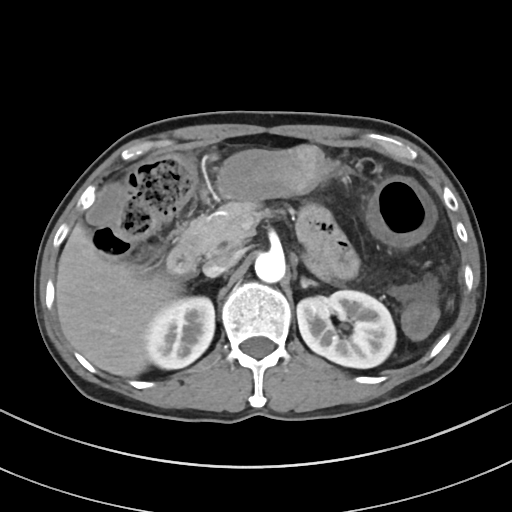 CT, abdomen/pelvis; axial plane, index 63; soft-tissue window (W 400 / L 40); 512x512 px; 15 organs annotated in this scan (counted over the whole 3D scan, not this slice; an organ is boxed only where this slice passes through it)
Bounding boxes as [x1, y1, x2, y2] in pixel coordinates.
right kidney: [145, 296, 214, 369]
left kidney: [296, 290, 395, 368]
gall bladder: [87, 183, 123, 225]
liver: [56, 223, 180, 377]
stomach: [216, 145, 334, 201]
aorta: [254, 252, 285, 282]
inferior vena cava: [203, 252, 237, 277]
pancreas: [180, 201, 260, 254]
left adrenal gland: [301, 277, 316, 287]
duodenum: [166, 241, 199, 276]